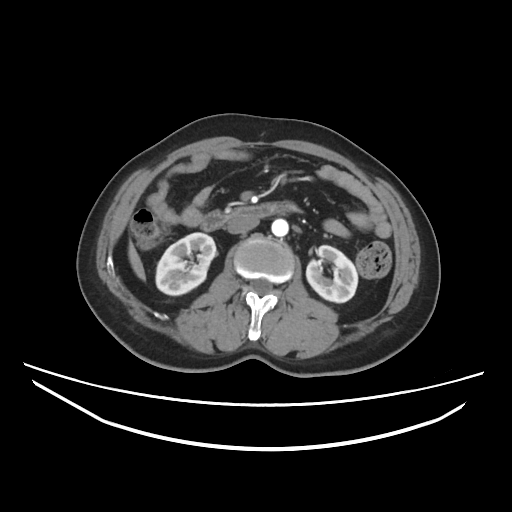
Abdominal CT. axial view. abdomen soft-tissue window. 58-year-old male patient. 15 organs annotated in this scan (counted over the whole 3D scan, not this slice; an organ is boxed only where this slice passes through it)
<organs><organ name="right kidney" x1="156" y1="232" x2="216" y2="295"/><organ name="left kidney" x1="306" y1="245" x2="357" y2="302"/><organ name="liver" x1="128" y1="241" x2="145" y2="280"/><organ name="aorta" x1="271" y1="218" x2="288" y2="236"/><organ name="inferior vena cava" x1="227" y1="217" x2="259" y2="233"/><organ name="duodenum" x1="201" y1="202" x2="299" y2="231"/></organs>